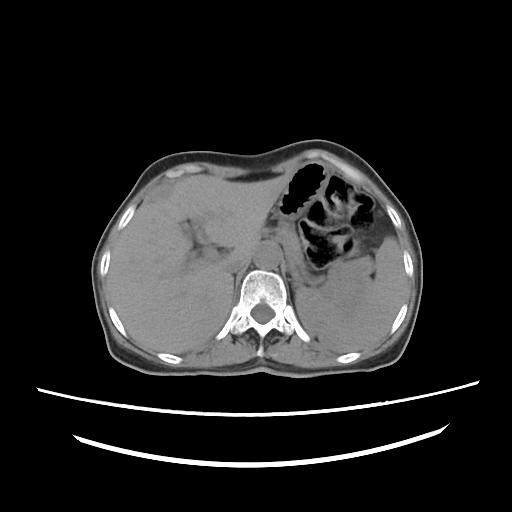 Abdominal CT — axial view — scan has 15 labeled organs (counted over the whole 3D scan, not this slice; an organ is boxed only where this slice passes through it)
One row per box, in pixels: columns x1 and y1 give the top-left corner, x2 and y2 the bottom-right.
| organ | x1 | y1 | x2 | y2 |
|---|---|---|---|---|
| spleen | 295 | 236 | 406 | 352 |
| liver | 107 | 174 | 289 | 353 |
| stomach | 275 | 163 | 372 | 311 |
| aorta | 254 | 243 | 281 | 269 |
| inferior vena cava | 226 | 260 | 248 | 273 |
| pancreas | 277 | 223 | 302 | 260 |